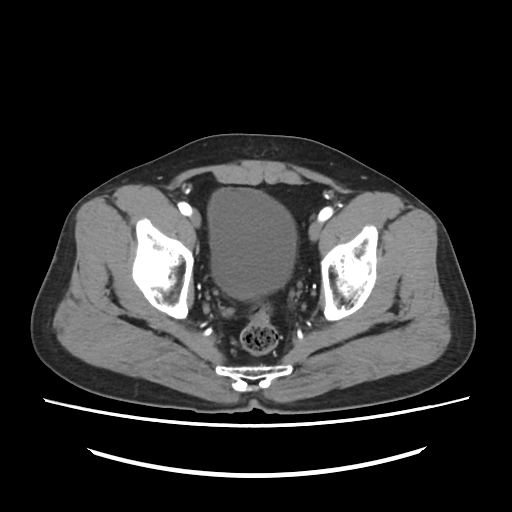 Computed tomography, abdomen — axial view — W/L 400/40 HU
<organs><organ name="bladder" x1="208" y1="188" x2="296" y2="298"/></organs>